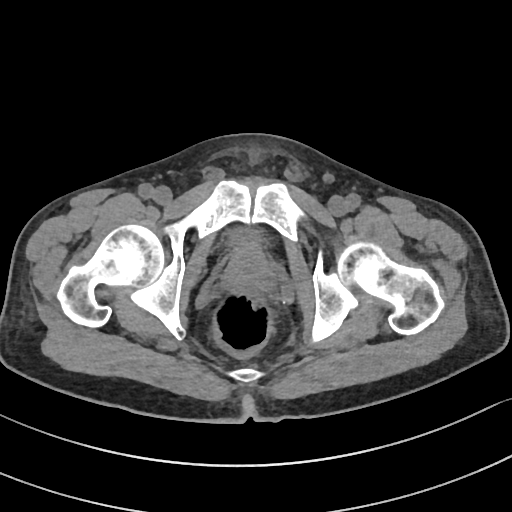

Abdominal CT · axial plane, index 15 · 512x512 px
Organ boxes in pixel coordinates; each row gives the top-left (x1, y1) and bottom-right (x2, y2) corners.
| organ | x1 | y1 | x2 | y2 |
|---|---|---|---|---|
| bladder | 223 | 229 | 265 | 248 |
| prostate/uterus | 224 | 246 | 272 | 294 |